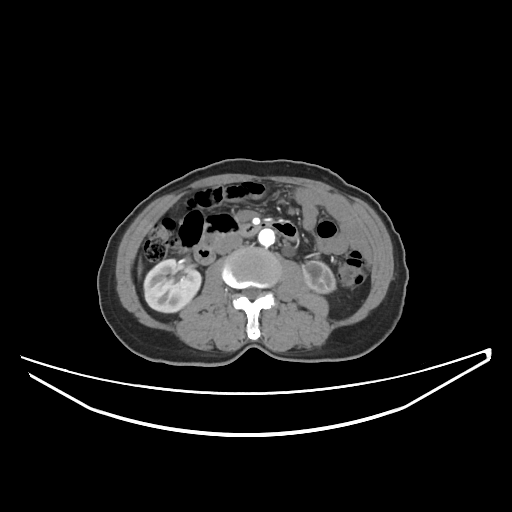 Abdominal CT · axial view · scan has 15 labeled organs (that count is for the whole scan; organs this slice misses have no box)
Coordinates as <box>x1,y1,x2,y2</box> in pixels.
Organ bounding boxes:
- inferior vena cava: <box>215,234,242,254</box>
- duodenum: <box>193,214,261,264</box>
- right kidney: <box>143,259,201,312</box>
- liver: <box>138,262,141,273</box>
- left kidney: <box>303,261,335,293</box>
- aorta: <box>258,228,274,246</box>